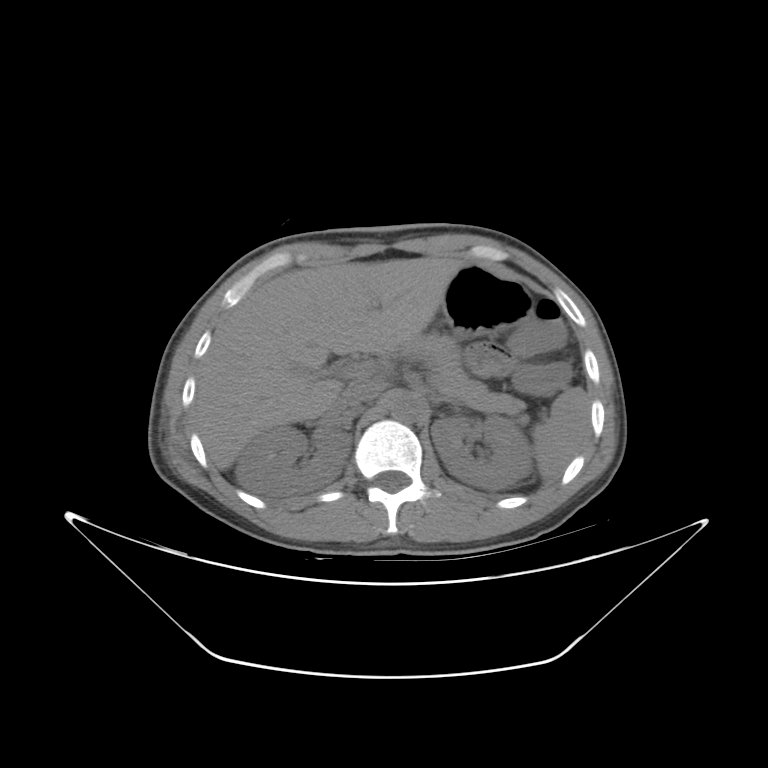
CT abdomen — axial plane, index 68 — abdomen soft-tissue window
Box edges are left/top/right/bottom in pixels. 9 labeled organs on this slice — spleen at left=531, top=387, right=590, bottom=479; right kidney at left=235, top=426, right=351, bottom=497; left kidney at left=431, top=416, right=531, bottom=490; liver at left=198, top=257, right=468, bottom=469; stomach at left=442, top=264, right=531, bottom=337; aorta at left=390, top=392, right=423, bottom=422; inferior vena cava at left=337, top=379, right=383, bottom=408; pancreas at left=412, top=333, right=525, bottom=415; left adrenal gland at left=433, top=397, right=457, bottom=407.